CT, abdomen/pelvis — axial view — scan has 15 labeled organs (a whole-scan count: organs this slice does not pass through have no box)
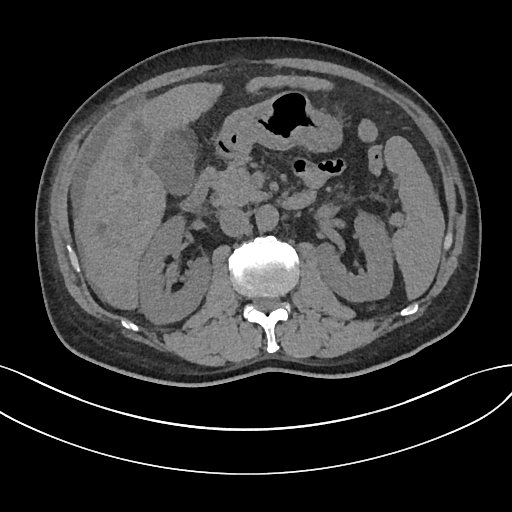
<organs><organ name="duodenum" x1="179" y1="172" x2="315" y2="212"/><organ name="gall bladder" x1="151" y1="128" x2="195" y2="193"/><organ name="spleen" x1="385" y1="136" x2="444" y2="297"/><organ name="right kidney" x1="138" y1="216" x2="210" y2="322"/><organ name="inferior vena cava" x1="219" y1="206" x2="249" y2="236"/><organ name="aorta" x1="256" y1="205" x2="279" y2="230"/><organ name="left kidney" x1="317" y1="212" x2="394" y2="300"/><organ name="pancreas" x1="207" y1="156" x2="267" y2="206"/><organ name="liver" x1="74" y1="76" x2="326" y2="309"/><organ name="stomach" x1="216" y1="90" x2="340" y2="157"/></organs>